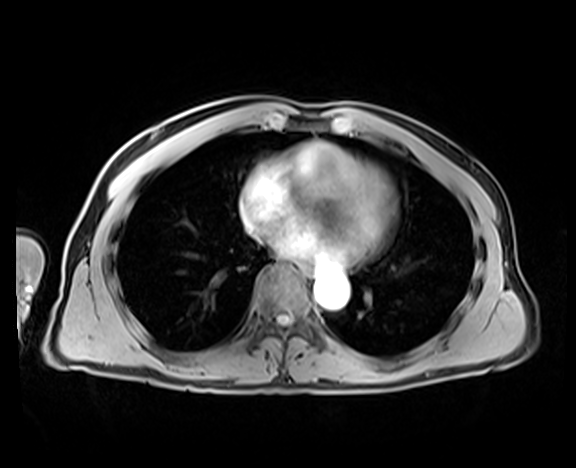 MRI of the abdomen reaching into the lower chest, slice just above the liver and spleen. Axial slice 71/72. 1st–99th percentile window. scan has 13 labeled organs (a whole-scan count: organs this slice does not pass through have no box)
Of the structures in the chest, this dataset labels only the esophagus, the aorta and the inferior vena cava; the heart and lungs have no label.
Boxes: x1:y1:x2:y2 in pixels.
Organ bounding boxes:
- esophagus: 298:263:312:277
- aorta: 314:272:349:309